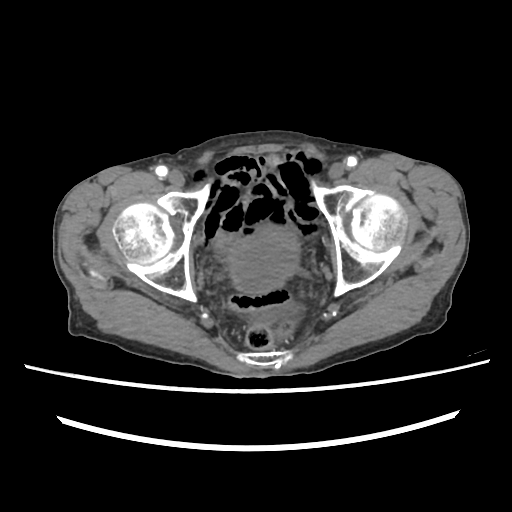
CT abdomen — Axial slice 16/120 — 81-year-old male patient — 15 organs annotated in this scan (counted over the whole 3D scan, not this slice; an organ is boxed only where this slice passes through it)
Organ boxes in pixel coordinates; each row gives the top-left (x1, y1) and bottom-right (x2, y2) corners.
| organ | x1 | y1 | x2 | y2 |
|---|---|---|---|---|
| bladder | 228 | 226 | 298 | 292 |